CT abdomen. Axial slice 49/80. abdomen soft-tissue window. 62-year-old female patient. Aquilion ONE scanner
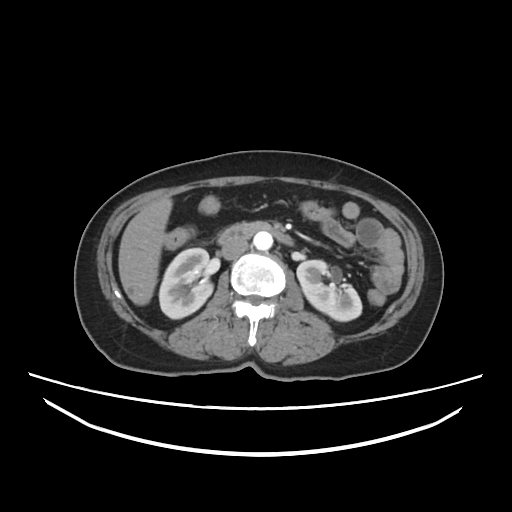
One row per box, in pixels: columns x1 and y1 give the top-left corner, x2 and y2 the bottom-right.
| organ | x1 | y1 | x2 | y2 |
|---|---|---|---|---|
| right kidney | 159 | 248 | 212 | 317 |
| left kidney | 297 | 261 | 362 | 321 |
| liver | 119 | 198 | 172 | 305 |
| aorta | 253 | 231 | 273 | 249 |
| inferior vena cava | 220 | 236 | 249 | 260 |
| duodenum | 216 | 223 | 291 | 244 |